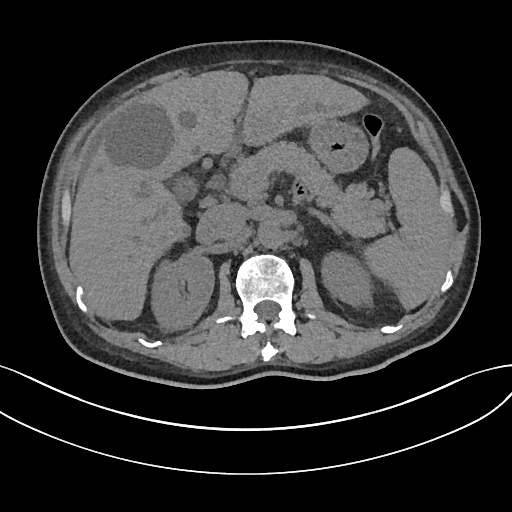
CT abdomen; axial view; scan has 15 labeled organs (that count is for the whole scan; organs this slice misses have no box)
Boxes: x1 y1 x2 y2 (pixel coords, space-separated).
stomach: 308 119 368 172
duodenum: 227 141 240 154
pancreas: 229 142 389 237
right kidney: 151 252 214 328
spleen: 363 147 449 309
gall bladder: 172 176 196 201
left kidney: 321 251 372 305
left adrenal gland: 311 210 342 234
liver: 69 70 368 320
aorta: 258 220 282 247
inferior vena cava: 198 203 246 240